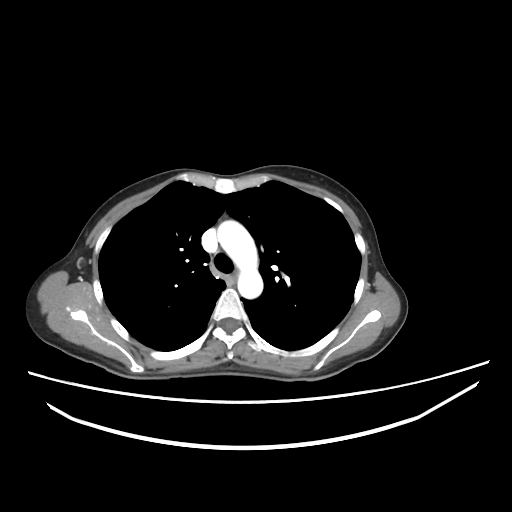 Chest-level CT slice, above the liver and spleen — Axial slice 97/114 — soft-tissue window
At this level of the chest no structure but the esophagus and the aorta has a label in this dataset, and those two are boxed only where they are labeled. Bounding boxes as [x1, y1, x2, y2] in pixel coordinates. The annotated organs in this slice are: esophagus at [231, 271, 237, 282], aorta at [217, 220, 263, 298].